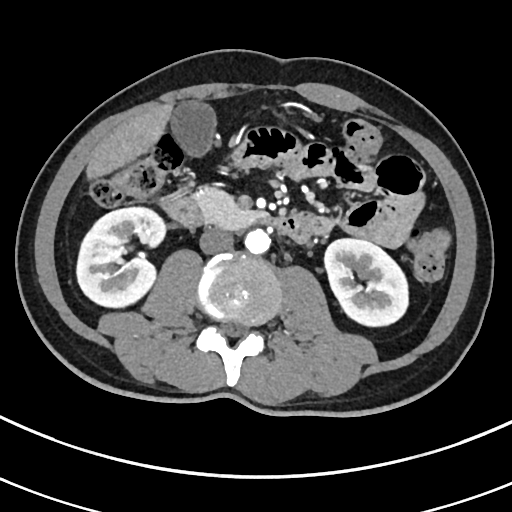
Abdominal CT · axial plane, index 117 · soft-tissue window
Bounding boxes as [x1, y1, x2, y2] in pixel coordinates.
pancreas: [189, 184, 266, 229]
inferior vena cava: [198, 227, 232, 254]
aorta: [244, 229, 270, 254]
right kidney: [77, 206, 165, 307]
left kidney: [324, 238, 409, 327]
gall bladder: [171, 100, 217, 159]
liver: [85, 103, 174, 179]
duodenum: [157, 193, 315, 242]